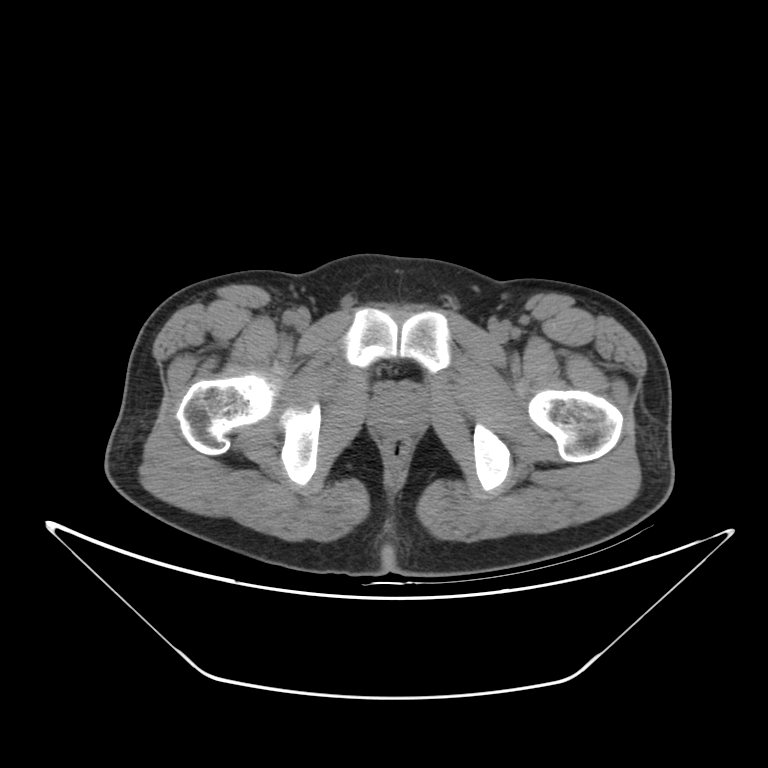 CT abdomen. axial view
Each box given as x1,y1,x2,y2.
prostate/uterus: x1=373, y1=389, x2=424, y2=434